CT abdomen — axial view — soft-tissue window — acquired on SOMATOM Force — 15 organs annotated in this scan (that count is for the whole scan; organs this slice misses have no box)
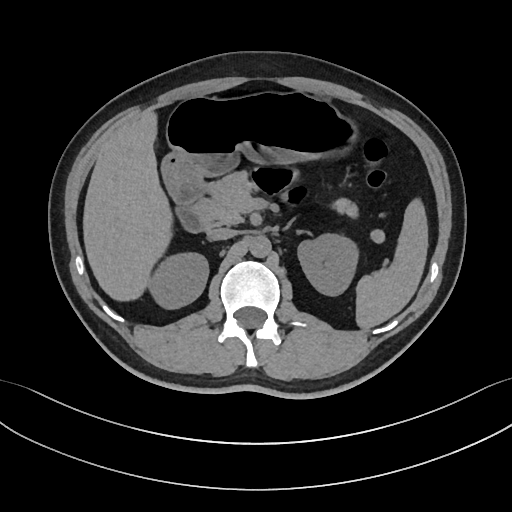
<organs><organ name="spleen" x1="355" y1="199" x2="428" y2="329"/><organ name="right kidney" x1="150" y1="254" x2="208" y2="308"/><organ name="left kidney" x1="298" y1="233" x2="355" y2="295"/><organ name="liver" x1="82" y1="112" x2="171" y2="299"/><organ name="stomach" x1="163" y1="91" x2="355" y2="191"/><organ name="aorta" x1="249" y1="236" x2="270" y2="258"/><organ name="inferior vena cava" x1="207" y1="228" x2="236" y2="240"/><organ name="pancreas" x1="203" y1="171" x2="357" y2="225"/><organ name="left adrenal gland" x1="283" y1="220" x2="293" y2="229"/><organ name="duodenum" x1="171" y1="179" x2="208" y2="231"/></organs>